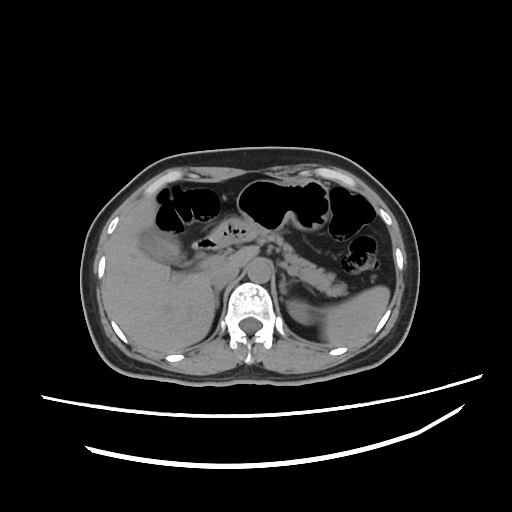
Abdominal CT — axial view — W/L 400/40 HU — scan has 15 labeled organs (a whole-scan count: organs this slice does not pass through have no box)
Box edges are left/top/right/bottom in pixels.
spleen: left=322, top=286, right=390, bottom=348
left kidney: left=287, top=300, right=308, bottom=323
gall bladder: left=138, top=229, right=187, bottom=266
liver: left=101, top=200, right=258, bottom=354
stomach: left=212, top=180, right=328, bottom=243
aorta: left=247, top=257, right=273, bottom=281
inferior vena cava: left=209, top=261, right=238, bottom=289
pancreas: left=255, top=233, right=345, bottom=295
right adrenal gland: left=214, top=288, right=221, bottom=306
left adrenal gland: left=280, top=274, right=287, bottom=297
duodenum: left=192, top=235, right=229, bottom=249